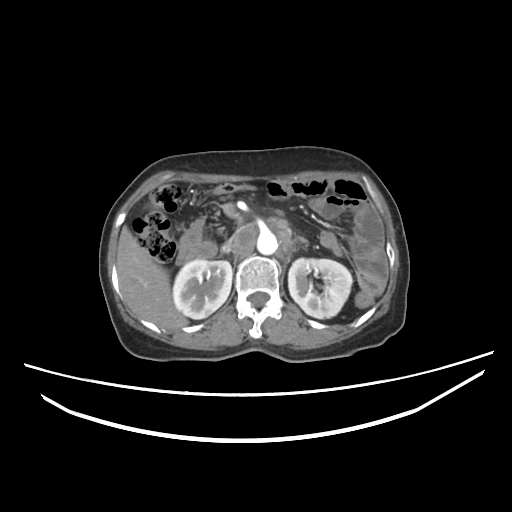 Computed tomography, abdomen; axial view
Each box given as x1,y1,x2,y2.
left adrenal gland: x1=296, y1=236, x2=309, y2=244
aorta: x1=258, y1=230, x2=278, y2=255
inferior vena cava: x1=221, y1=226, x2=248, y2=253
right kidney: x1=174, y1=259, x2=232, y2=318
duodenum: x1=176, y1=219, x2=215, y2=263
liver: x1=117, y1=226, x2=187, y2=329
left kidney: x1=288, y1=258, x2=352, y2=318